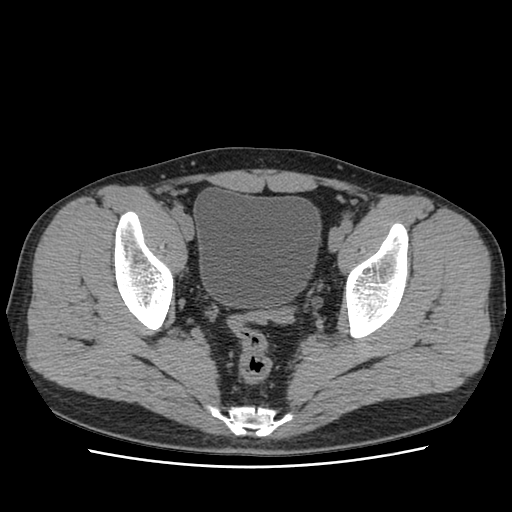

Computed tomography, abdomen; axial plane, index 39; 512x512 px; scan has 15 labeled organs (a whole-scan count: organs this slice does not pass through have no box)
<organs><organ name="bladder" x1="193" y1="188" x2="321" y2="308"/></organs>